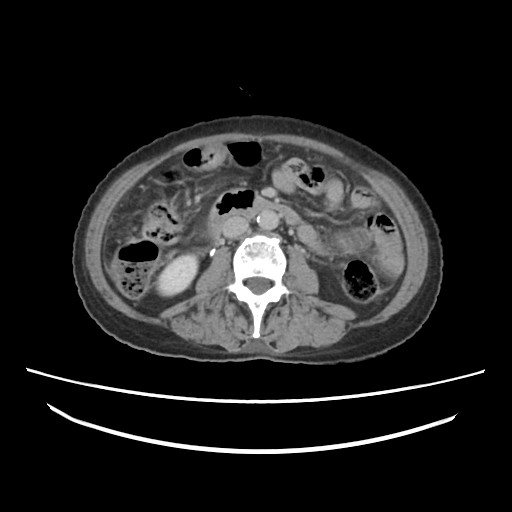
CT abdomen; Axial slice 52/100; 71-year-old female patient
Bounding boxes in pixels, one row per box: x1, y1 is the top-left corner and x2, y2 the bottom-right.
| organ | x1 | y1 | x2 | y2 |
|---|---|---|---|---|
| right kidney | 157 | 254 | 198 | 297 |
| aorta | 257 | 210 | 279 | 229 |
| inferior vena cava | 222 | 215 | 248 | 237 |
| duodenum | 206 | 189 | 305 | 238 |